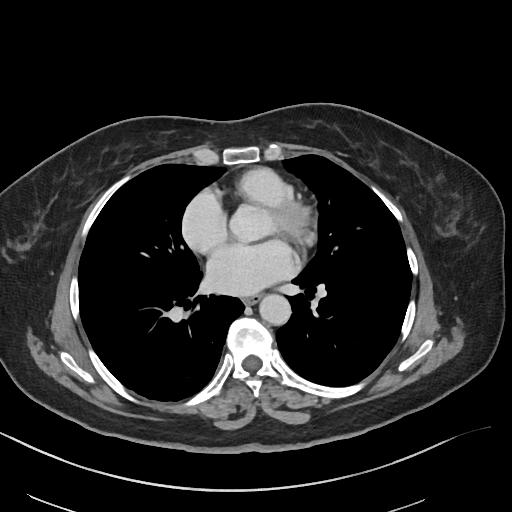 Abdominal CT; this slice is in the lower chest, just above the liver · axial plane, index 238
No part of the heart or lungs is labeled in this dataset, so neither has a box here.
Organ boxes in pixel coordinates; each row gives the top-left (x1, y1) and bottom-right (x2, y2) corners.
| organ | x1 | y1 | x2 | y2 |
|---|---|---|---|---|
| esophagus | 243 | 294 | 260 | 304 |
| aorta | 259 | 293 | 290 | 324 |